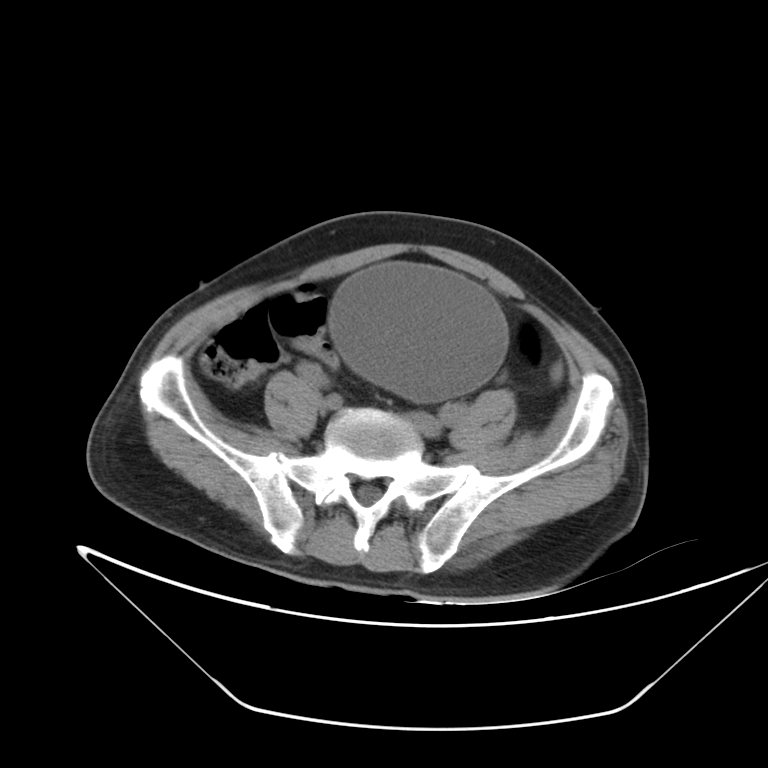 CT, abdomen/pelvis. axial view. Brilliance16 scanner
Boxes are (x1, y1, x2, y2) in pixels. 1 labeled organ on this slice — bladder at (328, 265, 511, 400).